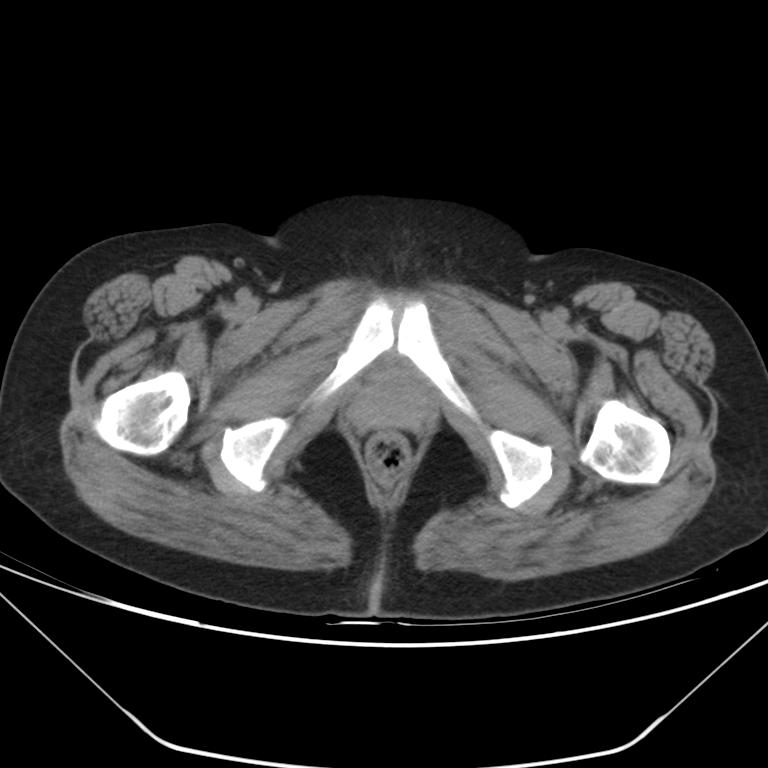

Abdominal CT. axial view. soft-tissue window. 40-year-old male patient. 15 organs annotated in this scan (that count is for the whole scan; organs this slice misses have no box)
Coordinates as <box>x1,y1,x2,y2</box> in pixels.
Organ bounding boxes:
- prostate/uterus: <box>347,369,436,431</box>